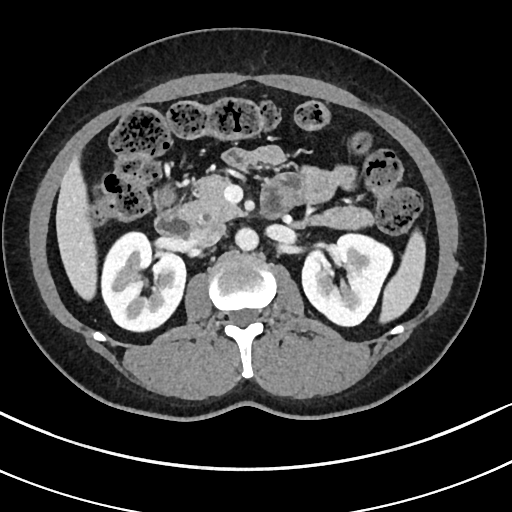
Computed tomography, abdomen; axial view; soft-tissue window
{"organs":{"spleen":[380,230,425,322],"right kidney":[102,232,185,331],"left kidney":[302,234,392,326],"liver":[56,157,96,299],"aorta":[235,228,258,250],"inferior vena cava":[189,224,225,247],"pancreas":[179,175,374,229],"duodenum":[155,187,291,237]}}